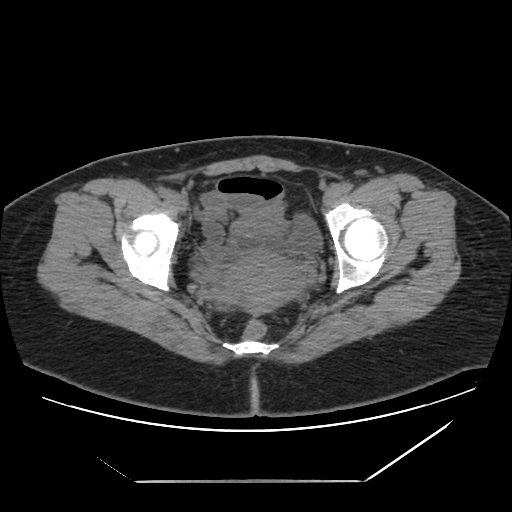
CT abdomen; axial view; scan has 15 labeled organs (counted over the whole 3D scan, not this slice; an organ is boxed only where this slice passes through it)
Boxes: x1 y1 x2 y2 (pixel coords, space-separated). The annotated organs in this slice are: prostate/uterus at 213 252 301 315, bladder at 292 217 321 252.